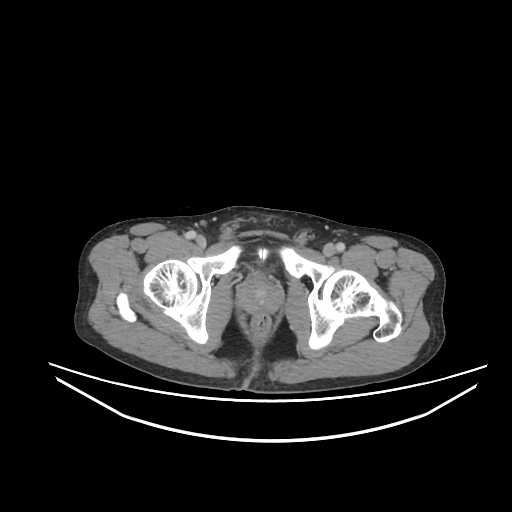 CT abdomen. Axial slice 15/132. soft-tissue window. 512x512 px. 47-year-old male patient. 15 organs annotated in this scan (counted over the whole 3D scan, not this slice; an organ is boxed only where this slice passes through it)
Box edges are left/top/right/bottom in pixels. 1 labeled organ on this slice — prostate/uterus at left=238, top=276, right=282, bottom=312.